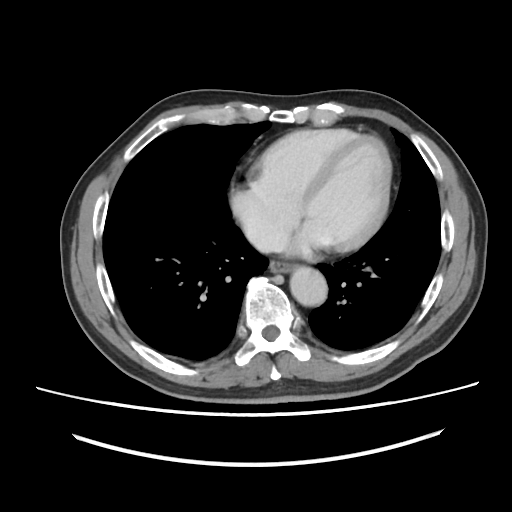

Abdominal CT; this slice is in the lower chest, just above the liver; axial view; 512x512 px; scan has 14 labeled organs (counted over the whole 3D scan, not this slice; an organ is boxed only where this slice passes through it)
No part of the heart or lungs is labeled in this dataset, so neither has a box here. Box edges are left/top/right/bottom in pixels. The annotated organs in this slice are: esophagus at left=270, top=261, right=294, bottom=272, aorta at left=290, top=266, right=327, bottom=306, inferior vena cava at left=247, top=228, right=274, bottom=252.